CT abdomen · axial view · W/L 400/40 HU · 58-year-old female patient · scan has 15 labeled organs (counted over the whole 3D scan, not this slice; an organ is boxed only where this slice passes through it)
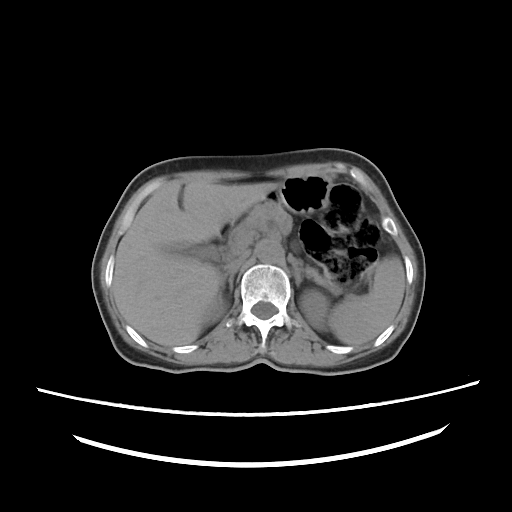

Boxes: x1:y1:x2:y2 in pixels.
Organ bounding boxes:
- right adrenal gland: 219:264:240:295
- pancreas: 237:201:335:288
- left kidney: 299:290:328:330
- liver: 112:181:276:346
- right kidney: 204:296:225:322
- gall bladder: 193:246:217:259
- left adrenal gland: 293:261:302:287
- stomach: 275:175:329:213
- aorta: 256:240:283:263
- spleen: 329:257:405:345
- duodenum: 219:224:232:260
- inferior vena cava: 225:252:248:271